Computed tomography, abdomen. axial view. soft-tissue window (W 400 / L 40). 512x512 px
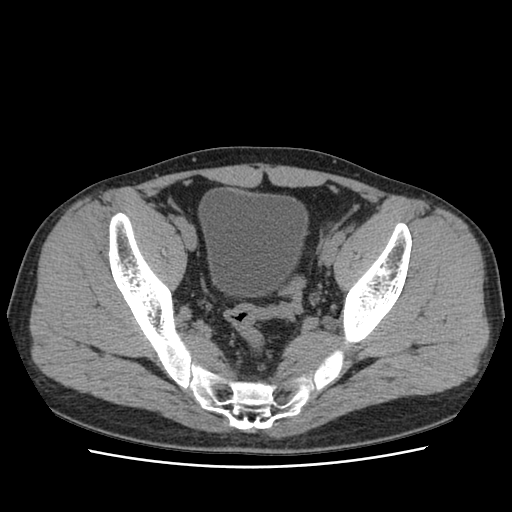

<organs><organ name="bladder" x1="199" y1="188" x2="307" y2="296"/></organs>